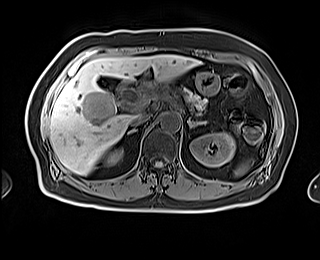
Abdominal MR · axial plane, index 36 · 1st–99th percentile window · 320x260 px
<organs><organ name="right adrenal gland" x1="127" y1="129" x2="135" y2="134"/><organ name="gall bladder" x1="99" y1="80" x2="111" y2="90"/><organ name="spleen" x1="234" y1="162" x2="249" y2="176"/><organ name="left kidney" x1="190" y1="132" x2="235" y2="167"/><organ name="inferior vena cava" x1="130" y1="113" x2="150" y2="126"/><organ name="stomach" x1="196" y1="72" x2="219" y2="94"/><organ name="pancreas" x1="183" y1="89" x2="206" y2="111"/><organ name="liver" x1="49" y1="55" x2="200" y2="175"/><organ name="aorta" x1="160" y1="113" x2="180" y2="131"/><organ name="left adrenal gland" x1="190" y1="121" x2="206" y2="127"/><organ name="duodenum" x1="115" y1="79" x2="134" y2="94"/><organ name="right kidney" x1="104" y1="148" x2="122" y2="165"/></organs>